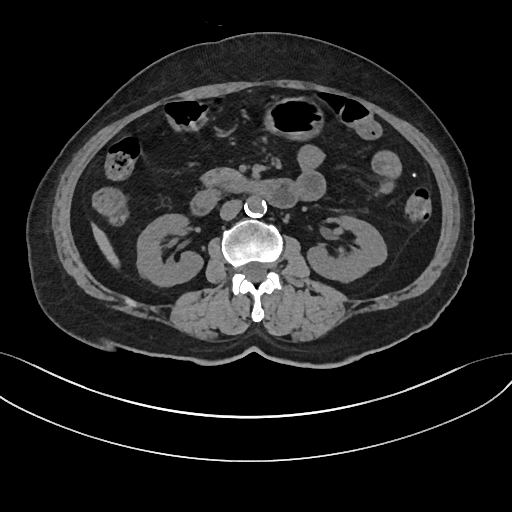
Computed tomography, abdomen. axial view. acquired on SOMATOM Force
<organs><organ name="stomach" x1="265" y1="96" x2="324" y2="138"/><organ name="liver" x1="90" y1="220" x2="117" y2="266"/><organ name="left kidney" x1="306" y1="217" x2="386" y2="283"/><organ name="aorta" x1="245" y1="196" x2="266" y2="217"/><organ name="inferior vena cava" x1="220" y1="200" x2="241" y2="220"/><organ name="duodenum" x1="191" y1="179" x2="298" y2="214"/><organ name="pancreas" x1="200" y1="167" x2="244" y2="190"/><organ name="right kidney" x1="138" y1="214" x2="203" y2="286"/></organs>